Magnetic resonance imaging, abdomen; axial view; 13 organs annotated in this scan (counted over the whole 3D scan, not this slice; an organ is boxed only where this slice passes through it)
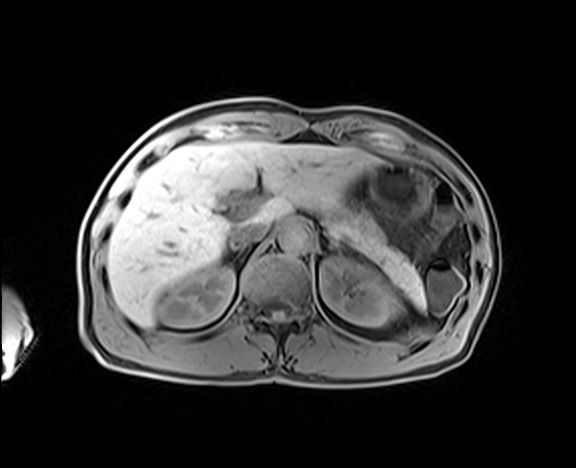

{"organs":{"spleen":[395,327,434,343],"right kidney":[161,266,234,327],"left kidney":[320,257,399,326],"liver":[107,142,379,327],"stomach":[369,162,431,229],"aorta":[279,223,310,253],"inferior vena cava":[230,223,268,246],"pancreas":[325,206,427,316],"left adrenal gland":[323,230,346,251]}}